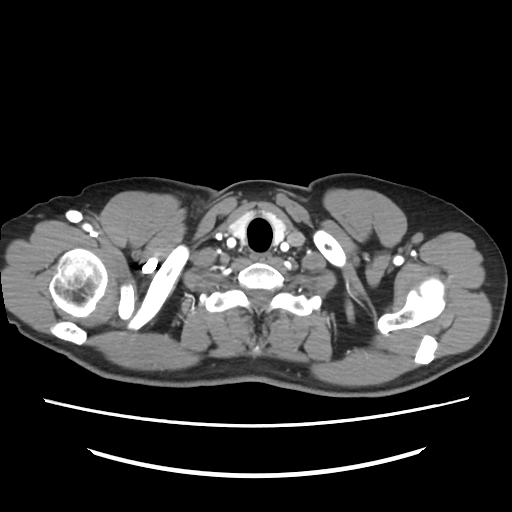
CT of the abdomen extending into the chest, slice through the chest; axial plane, index 132; 512x512 px; 46-year-old male patient
At this level of the chest this dataset labels only the esophagus and the aorta, and each is boxed only where it is labeled; the heart and lungs are never labeled.
{"organs":{"esophagus":[249,253,270,260]}}